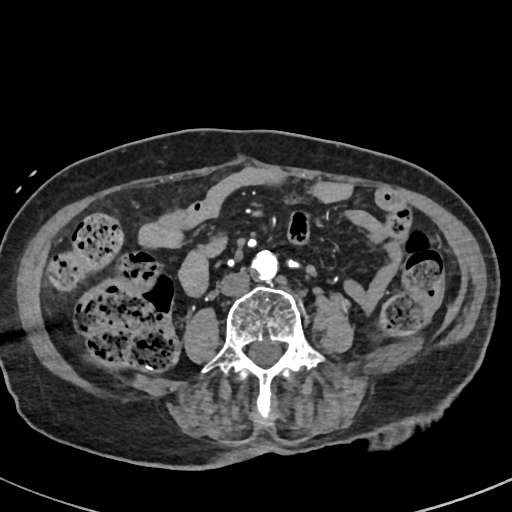 CT, abdomen/pelvis — axial view — scan has 15 labeled organs (that count is for the whole scan; organs this slice misses have no box)
One row per box, in pixels: columns x1 and y1 give the top-left corner, x2 and y2 the bottom-right.
| organ | x1 | y1 | x2 | y2 |
|---|---|---|---|---|
| inferior vena cava | 220 | 272 | 251 | 295 |
| aorta | 252 | 251 | 278 | 280 |